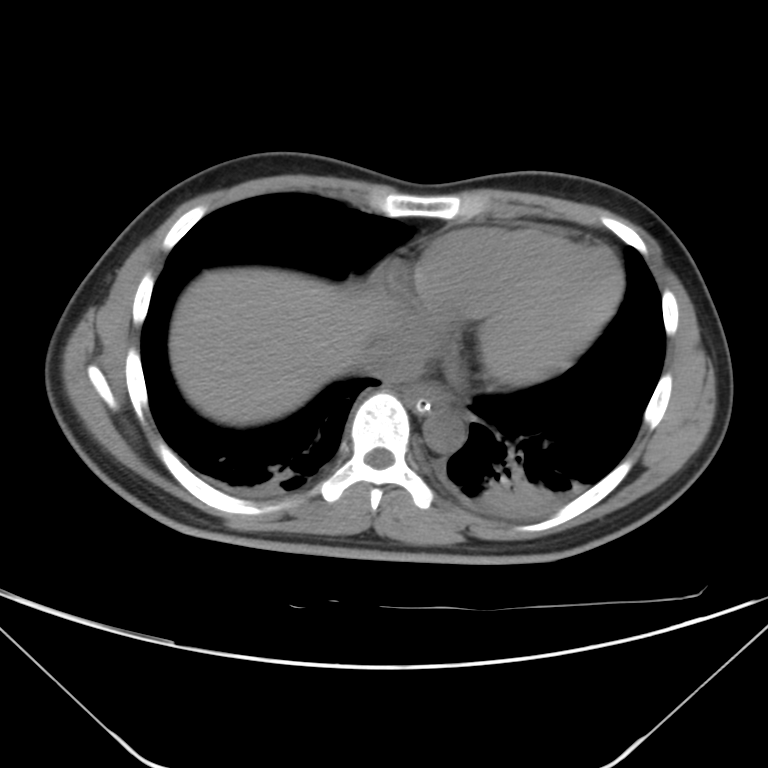

Abdominal CT; axial view
<organs><organ name="esophagus" x1="404" y1="384" x2="448" y2="411"/><organ name="liver" x1="169" y1="267" x2="385" y2="425"/><organ name="aorta" x1="423" y1="408" x2="464" y2="453"/><organ name="inferior vena cava" x1="368" y1="345" x2="422" y2="383"/></organs>